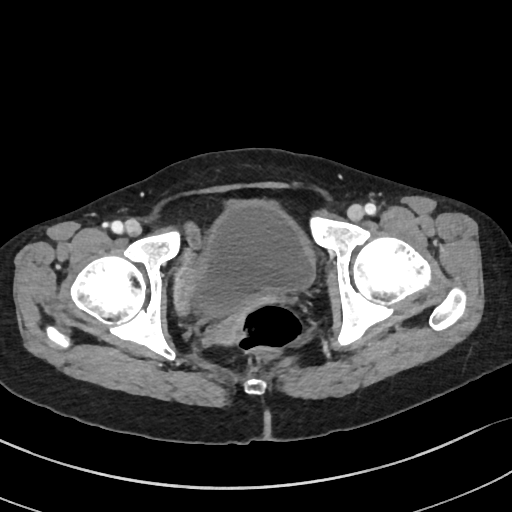

Abdominal CT; axial view; 15 organs annotated in this scan (that count is for the whole scan; organs this slice misses have no box)
<organs><organ name="bladder" x1="194" y1="202" x2="314" y2="315"/><organ name="prostate/uterus" x1="212" y1="316" x2="244" y2="343"/></organs>